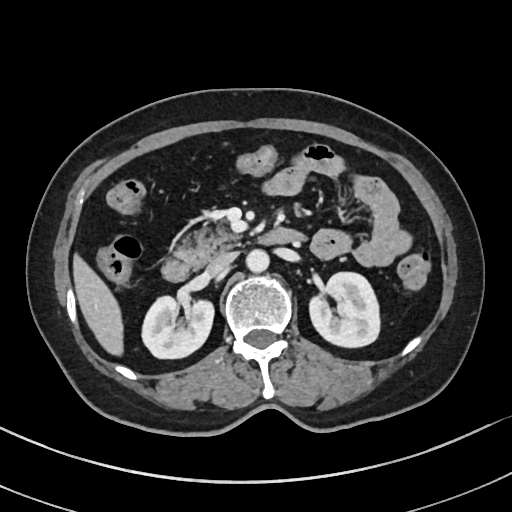
CT abdomen — axial view — scan has 14 labeled organs (a whole-scan count: organs this slice does not pass through have no box)
Bounding boxes as [x1, y1, x2, y2] in pixel coordinates. 7 labeled organs on this slice — right kidney at [141, 295, 213, 358]; left kidney at [309, 271, 381, 347]; liver at [72, 254, 122, 354]; aorta at [246, 248, 269, 270]; inferior vena cava at [206, 252, 237, 275]; pancreas at [176, 225, 241, 267]; duodenum at [162, 228, 303, 281].